CT, abdomen/pelvis; axial view; 512x512 px
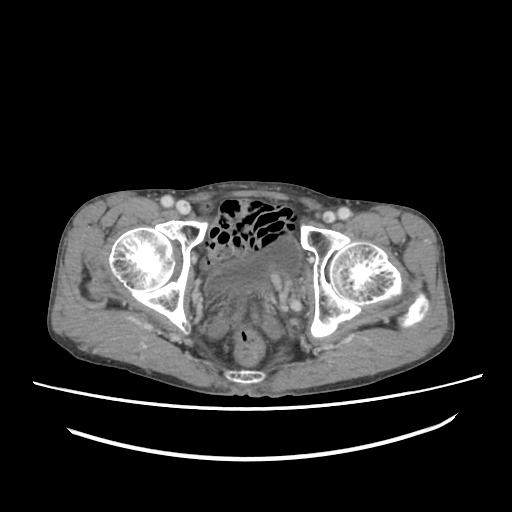 Boxes: x1:y1:x2:y2 in pixels.
Organ bounding boxes:
- bladder: 206:238:301:291